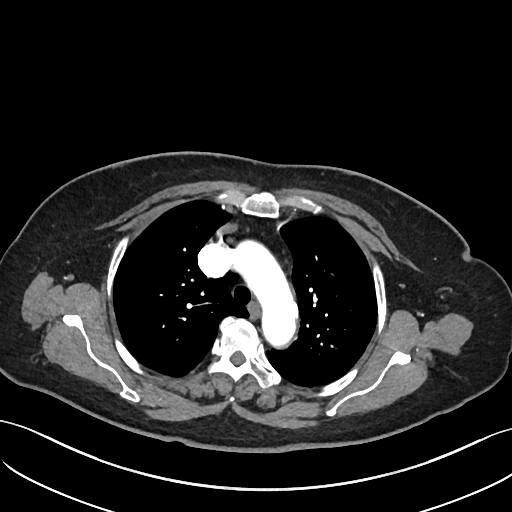 Abdominal CT reaching into the chest; this slice is in the chest; axial view; soft-tissue window (W 400 / L 40); acquired on SOMATOM Force; 15 organs annotated in this scan (a whole-scan count: organs this slice does not pass through have no box)
At this level of the chest no structure but the esophagus and the aorta has a label in this dataset, and those two are boxed only where they are labeled.
Organ boxes in pixel coordinates; each row gives the top-left (x1, y1) and bottom-right (x2, y2) corners.
| organ | x1 | y1 | x2 | y2 |
|---|---|---|---|---|
| esophagus | 248 | 302 | 259 | 318 |
| aorta | 231 | 240 | 298 | 347 |